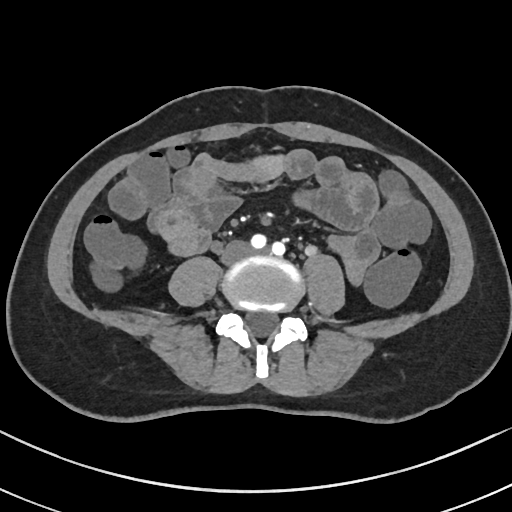

CT abdomen; axial view; soft-tissue window
Box edges are left/top/right/bottom in pixels. The annotated organs in this slice are: inferior vena cava at left=221, top=240, right=251, bottom=263.